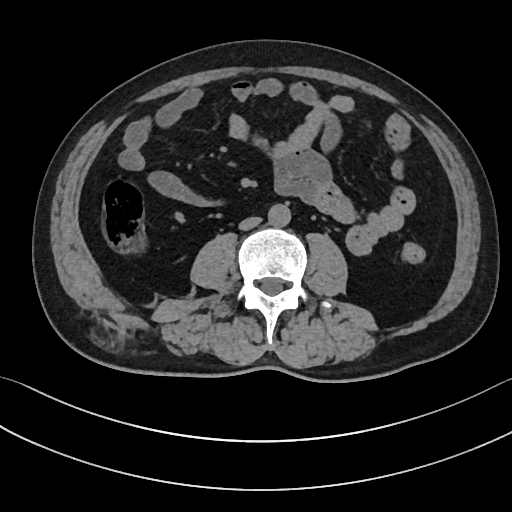
Abdominal CT. axial view. W/L 400/40 HU. scan has 15 labeled organs (that count is for the whole scan; organs this slice misses have no box)
Bounding boxes in pixels, one row per box: x1, y1 is the top-left corner and x2, y2 the bottom-right.
| organ | x1 | y1 | x2 | y2 |
|---|---|---|---|---|
| aorta | 268 | 204 | 291 | 227 |
| inferior vena cava | 239 | 217 | 261 | 229 |